CT, abdomen/pelvis. Axial slice 18/84
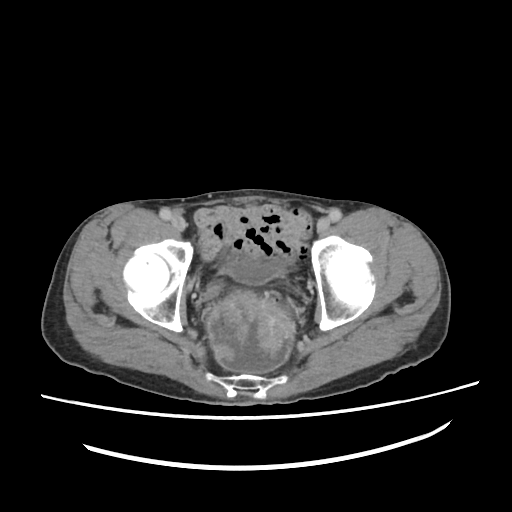

{"organs":{"bladder":[228,262,279,285]}}